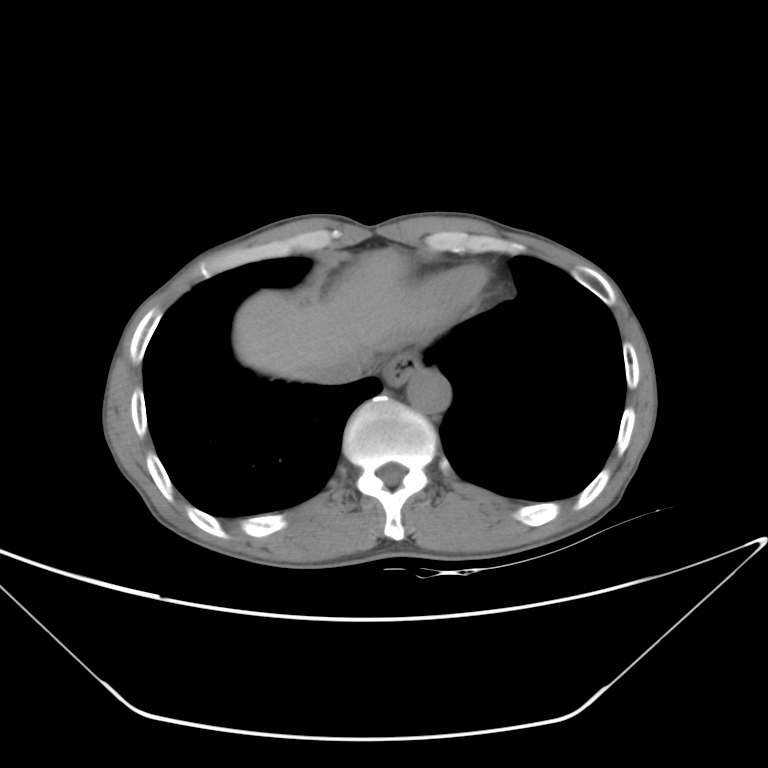
CT, abdomen/pelvis · axial view · 53-year-old male patient · scan has 15 labeled organs (that count is for the whole scan; organs this slice misses have no box)
Boxes are (x1, y1, x2, y2) in pixels.
Organ bounding boxes:
- inferior vena cava: (319, 351, 373, 382)
- esophagus: (383, 352, 421, 385)
- liver: (234, 248, 459, 381)
- aorta: (406, 368, 450, 413)